CT, abdomen/pelvis · Axial slice 137/333 · 512x512 px
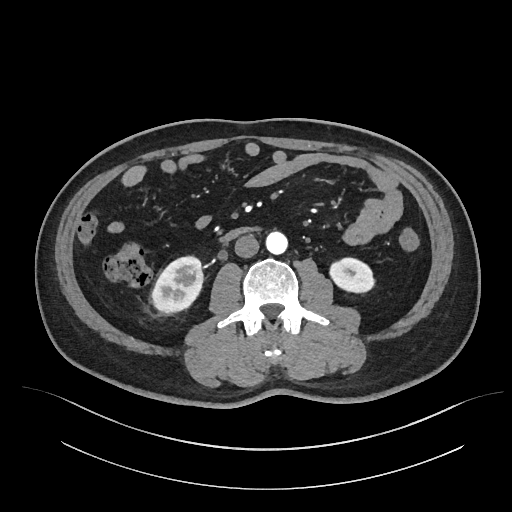
Organ boxes in pixel coordinates; each row gives the top-left (x1, y1) and bottom-right (x2, y2) corners.
| organ | x1 | y1 | x2 | y2 |
|---|---|---|---|---|
| right kidney | 151 | 256 | 203 | 313 |
| left kidney | 330 | 258 | 373 | 292 |
| aorta | 266 | 231 | 287 | 254 |
| inferior vena cava | 234 | 235 | 259 | 258 |
| duodenum | 222 | 228 | 253 | 240 |